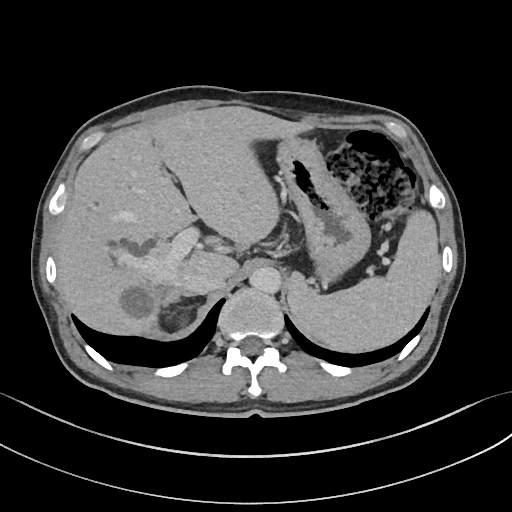
CT abdomen; axial view; soft-tissue window
<organs><organ name="liver" x1="55" y1="106" x2="314" y2="334"/><organ name="right adrenal gland" x1="162" y1="288" x2="179" y2="306"/><organ name="inferior vena cava" x1="184" y1="272" x2="224" y2="295"/><organ name="aorta" x1="249" y1="266" x2="281" y2="294"/><organ name="stomach" x1="278" y1="138" x2="371" y2="281"/><organ name="spleen" x1="287" y1="210" x2="439" y2="351"/></organs>